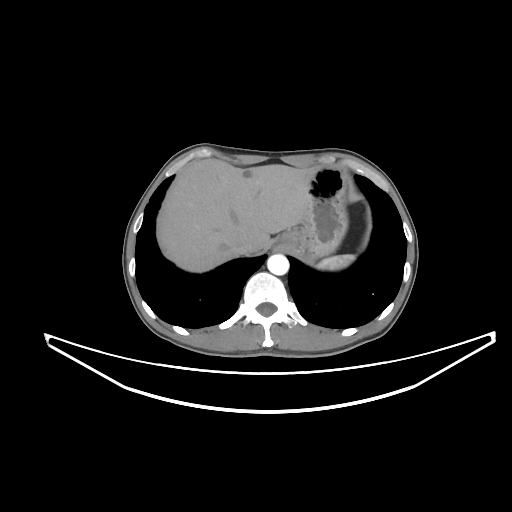

Abdominal CT. axial view. abdomen soft-tissue window. 512x512 px. 15 organs annotated in this scan (a whole-scan count: organs this slice does not pass through have no box)
Boxes are (x1, y1, x2, y2) in pixels.
stomach: (275, 166, 347, 262)
liver: (160, 158, 320, 272)
spleen: (316, 254, 355, 270)
inferior vena cava: (233, 238, 253, 254)
aorta: (267, 254, 288, 275)